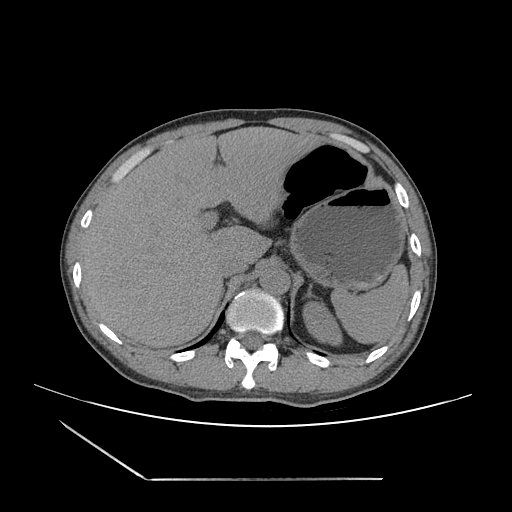

Abdominal CT; axial view; SOMATOM Force scanner; scan has 15 labeled organs (a whole-scan count: organs this slice does not pass through have no box)
<organs><organ name="spleen" x1="331" y1="262" x2="409" y2="344"/><organ name="left kidney" x1="301" y1="300" x2="342" y2="345"/><organ name="liver" x1="80" y1="126" x2="319" y2="347"/><organ name="stomach" x1="291" y1="184" x2="405" y2="289"/><organ name="aorta" x1="259" y1="266" x2="289" y2="294"/><organ name="inferior vena cava" x1="216" y1="254" x2="249" y2="277"/><organ name="right adrenal gland" x1="222" y1="288" x2="223" y2="294"/><organ name="left adrenal gland" x1="304" y1="283" x2="315" y2="295"/></organs>